CT abdomen · axial view
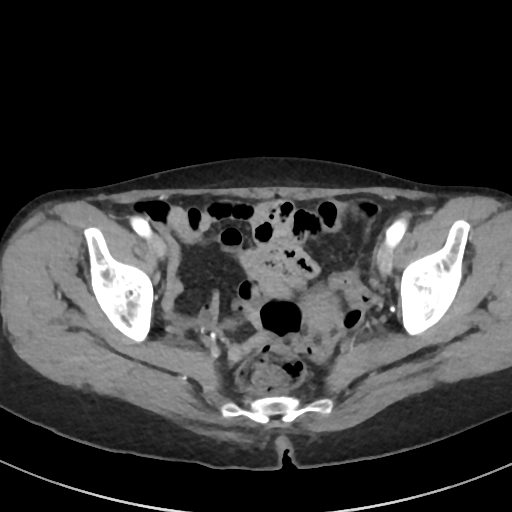 <organs><organ name="prostate/uterus" x1="302" y1="291" x2="338" y2="328"/></organs>